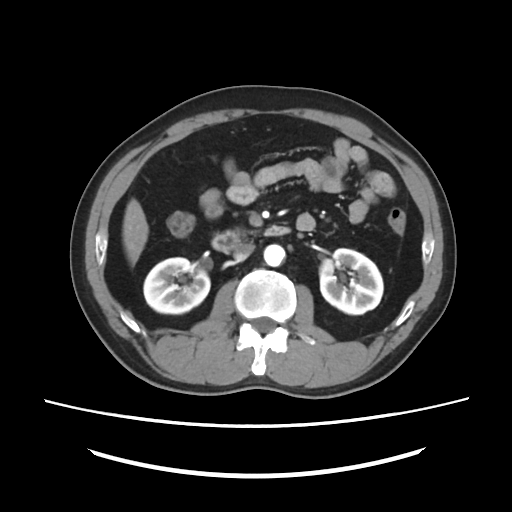 CT, abdomen/pelvis; axial view; 512x512 px; acquired on Aquilion ONE
Coordinates as <box>x1,y1,x2,y2</box> in pixels. 6 labeled organs on this slice — right kidney at <box>143,257,209,313</box>; left kidney at <box>320,248,383,314</box>; liver at <box>122,198,148,265</box>; aorta at <box>263,244,285,266</box>; inferior vena cava at <box>233,243,254,261</box>; duodenum at <box>211,226,289,252</box>.